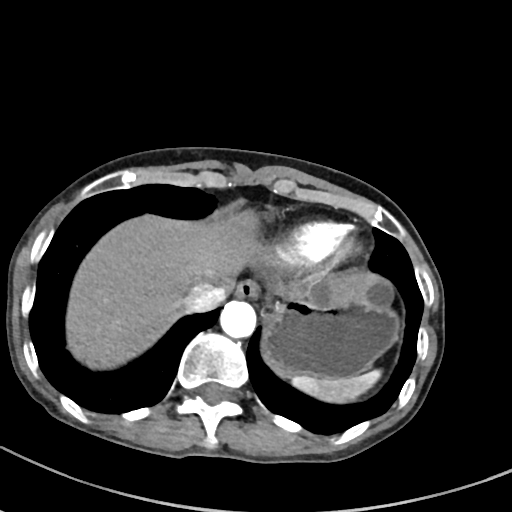

CT, abdomen/pelvis — axial view — soft-tissue window
{"organs":{"spleen":[291,370,380,402],"esophagus":[235,280,260,299],"liver":[66,211,388,368],"stomach":[262,296,400,379],"aorta":[220,300,256,337],"inferior vena cava":[183,282,229,312]}}